CT of the abdomen extending into the chest, slice through the chest — axial view — soft-tissue window, W/L 400/40 — SOMATOM Force scanner — 15 organs annotated in this scan (counted over the whole 3D scan, not this slice; an organ is boxed only where this slice passes through it)
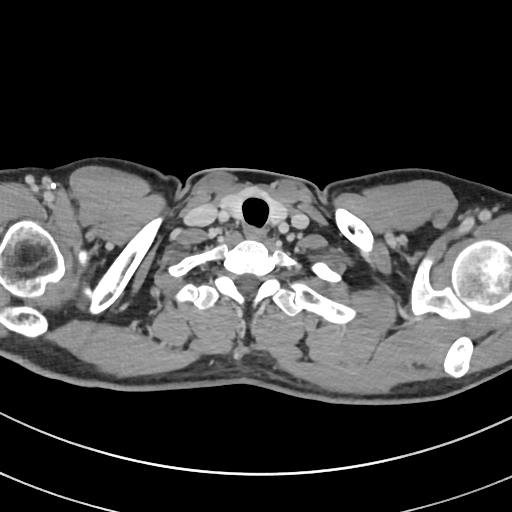 At this level of the chest no structure but the esophagus and the aorta has a label in this dataset, and those two are boxed only where they are labeled.
One row per box, in pixels: columns x1 and y1 give the top-left corner, x2 and y2 the bottom-right.
| organ | x1 | y1 | x2 | y2 |
|---|---|---|---|---|
| esophagus | 247 | 227 | 264 | 240 |